CT, abdomen/pelvis; axial view; 512x512 px
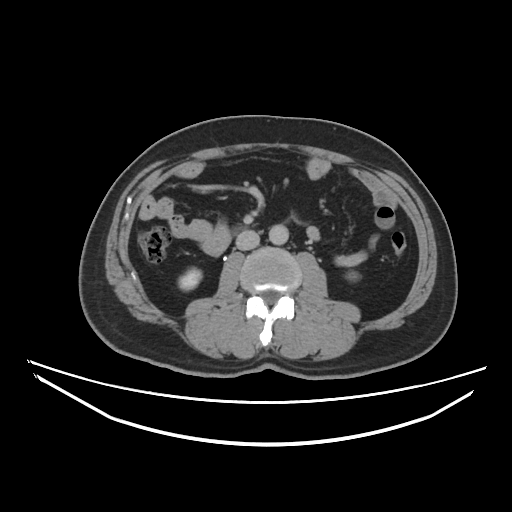 Boxes: x1 y1 x2 y2 (pixel coords, space-separated).
Organ bounding boxes:
- left kidney: 351 273 355 275
- aorta: 268 224 288 244
- inferior vena cava: 236 229 259 249
- right kidney: 178 268 201 290